CT abdomen. axial plane, index 200. abdomen soft-tissue window
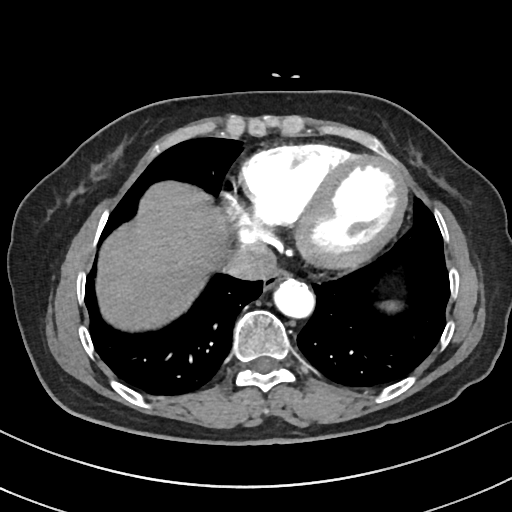

Boxes: x1:y1:x2:y2 in pixels. The annotated organs in this slice are: esophagus at 263:269:291:290, spleen at 385:302:396:309, inferior vena cava at 224:243:277:280, liver at 96:181:227:330, aorta at 274:279:314:318.